CT abdomen; Axial slice 52/104; abdomen soft-tissue window
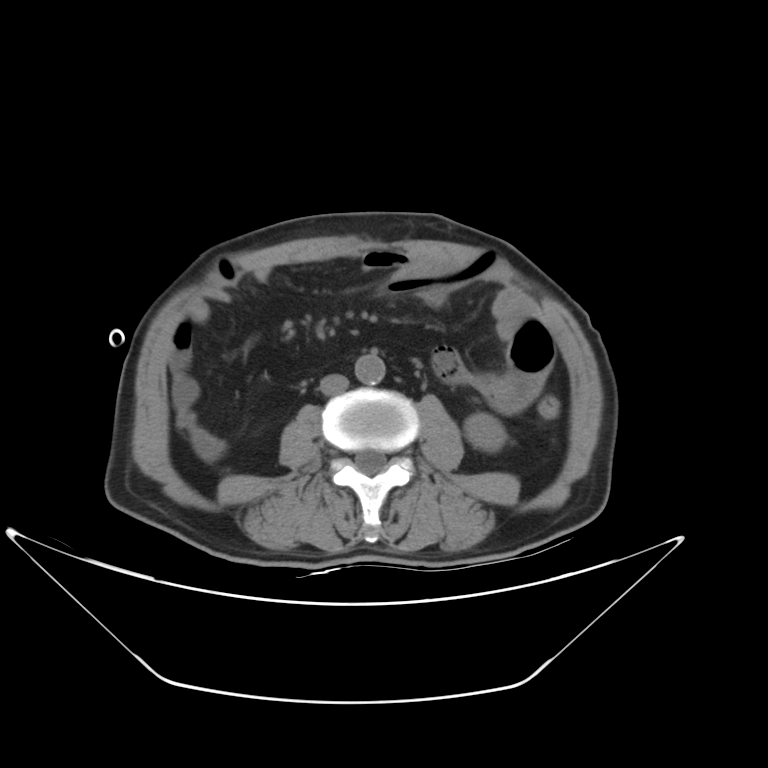

{"organs":{"left kidney":[464,413,506,452],"aorta":[355,353,384,384],"inferior vena cava":[319,374,347,394]}}